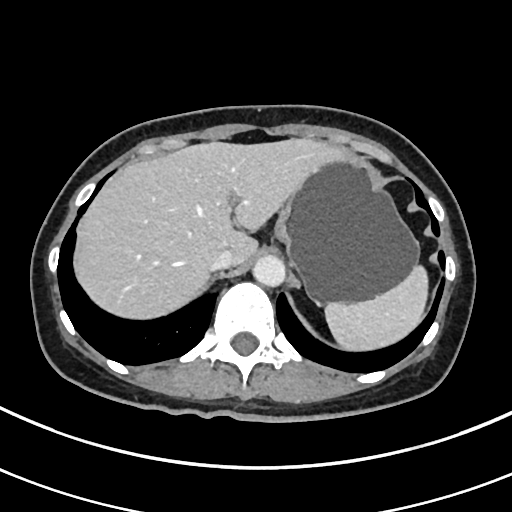

CT, abdomen/pelvis · Axial slice 166/192 · soft-tissue window (W 400 / L 40) · 512x512 px
Boxes are (x1, y1, x2, y2) in pixels.
Organ bounding boxes:
- stomach: (274, 157, 419, 303)
- spleen: (325, 265, 428, 350)
- aorta: (252, 255, 285, 287)
- inferior vena cava: (210, 248, 234, 270)
- liver: (74, 138, 344, 319)